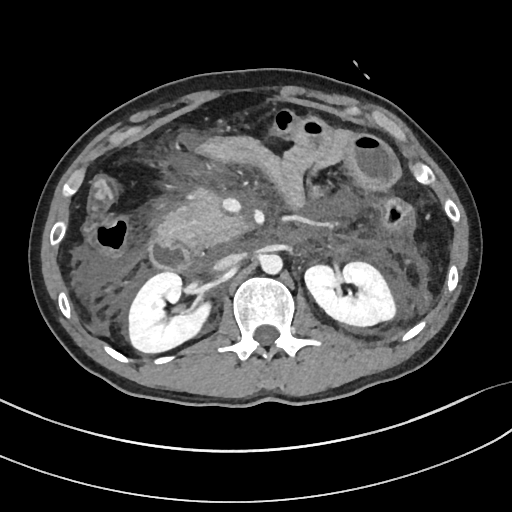

CT abdomen — Axial slice 155/251 — SOMATOM Force scanner
Bounding boxes in pixels, one row per box: x1, y1 is the top-left corner and x2, y2 the bottom-right.
| organ | x1 | y1 | x2 | y2 |
|---|---|---|---|---|
| aorta | 260 | 254 | 282 | 274 |
| left kidney | 305 | 262 | 395 | 326 |
| pancreas | 158 | 190 | 246 | 248 |
| duodenum | 149 | 237 | 202 | 271 |
| right kidney | 128 | 272 | 210 | 352 |
| inferior vena cava | 213 | 253 | 242 | 271 |